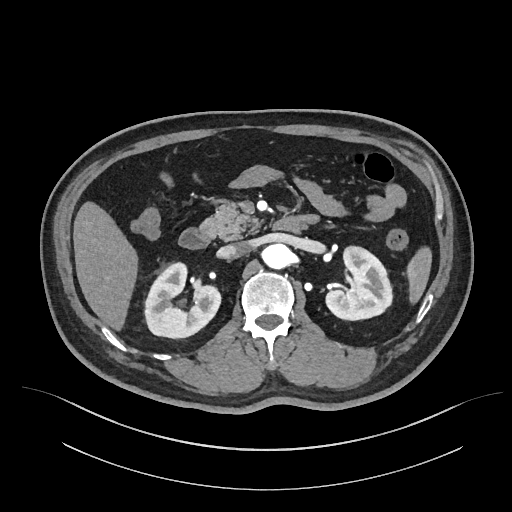
CT, abdomen/pelvis · axial view · soft-tissue window · SOMATOM Force scanner
Boxes are (x1, y1, x2, y2) in pixels. 8 labeled organs on this slice — spleen at (406, 246, 431, 303); right kidney at (144, 262, 220, 338); left kidney at (326, 246, 392, 320); liver at (73, 201, 137, 330); aorta at (263, 243, 291, 269); inferior vena cava at (218, 241, 250, 258); pancreas at (199, 200, 261, 240); duodenum at (179, 215, 318, 249).